Abdominal CT. Axial slice 121/307
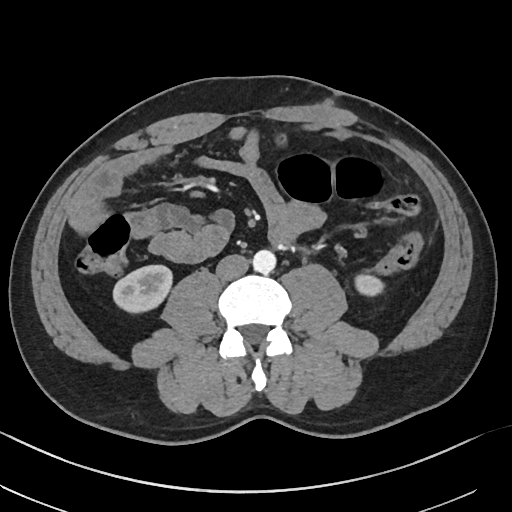

Boxes are (x1, y1, x2, y2) in pixels.
Organ bounding boxes:
- inferior vena cava: (216, 254, 248, 280)
- aorta: (253, 249, 276, 273)
- right kidney: (112, 264, 173, 312)
- left kidney: (356, 275, 383, 293)